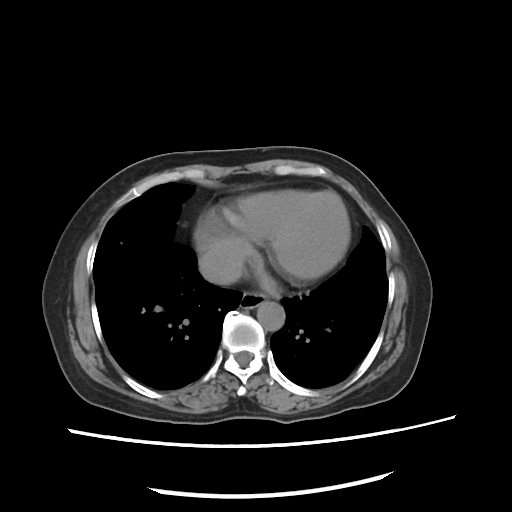
Lower-chest slice from an abdominal CT, just above the liver and spleen. axial plane, index 85. 56-year-old female patient
The heart and lungs are never labeled in this dataset, so they have no box on this slice.
Boxes are (x1, y1, x2, y2) in pixels.
Organ bounding boxes:
- esophagus: (240, 292, 267, 310)
- aorta: (255, 300, 286, 331)
- inferior vena cava: (199, 248, 243, 285)